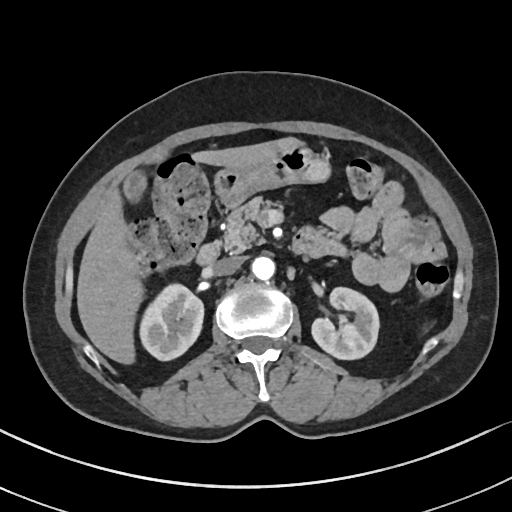

CT, abdomen/pelvis — axial plane, index 142
<organs><organ name="duodenum" x1="198" y1="226" x2="346" y2="265"/><organ name="pancreas" x1="223" y1="196" x2="270" y2="252"/><organ name="aorta" x1="251" y1="257" x2="275" y2="280"/><organ name="gall bladder" x1="123" y1="172" x2="147" y2="201"/><organ name="stomach" x1="215" y1="148" x2="332" y2="207"/><organ name="liver" x1="77" y1="137" x2="306" y2="364"/><organ name="left kidney" x1="311" y1="287" x2="379" y2="360"/><organ name="right kidney" x1="141" y1="285" x2="203" y2="360"/><organ name="inferior vena cava" x1="212" y1="256" x2="243" y2="275"/></organs>